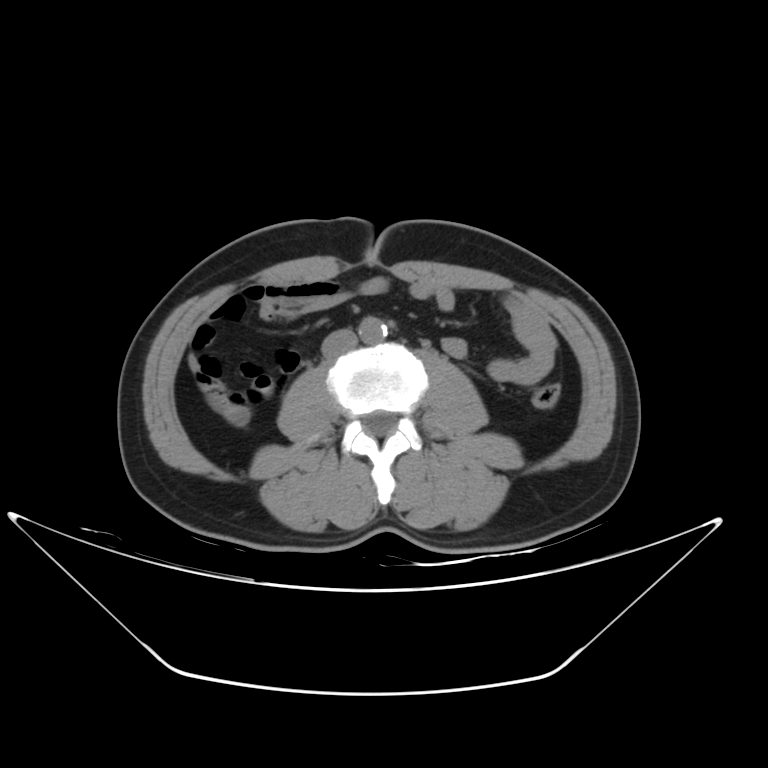 CT abdomen. axial plane, index 60. Brilliance16 scanner
Boxes: x1:y1:x2:y2 in pixels.
Organ bounding boxes:
- aorta: 358:316:387:345
- inferior vena cava: 323:329:356:356